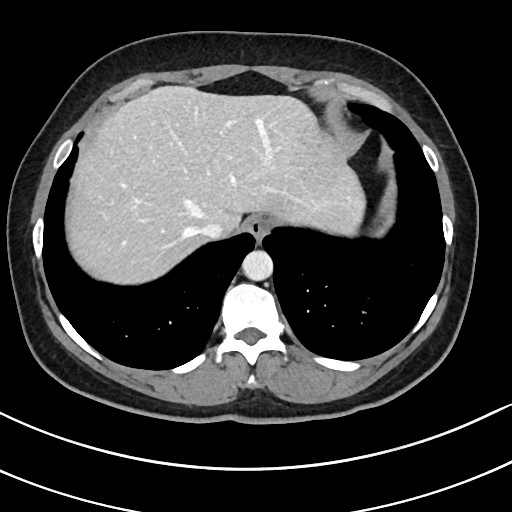 CT, abdomen/pelvis · axial view · soft-tissue window (W 400 / L 40)
Coordinates as <box>x1,y1,x2,y2</box> in pixels. Labeled organs on this slice: esophagus at <box>244,216,269,242</box>, liver at <box>67,86,366,282</box>, aorta at <box>242,250,273,280</box>, inferior vena cava at <box>198,227,222,237</box>.